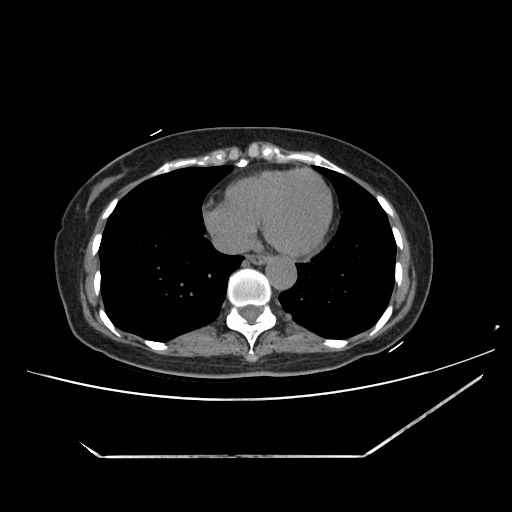 Lower-chest slice from an abdominal CT, just above the liver and spleen · Axial slice 140/143 · soft-tissue window (W 400 / L 40)
Of the structures in the chest, this dataset labels only the esophagus, the aorta and the inferior vena cava; the heart and lungs have no label. Bounding boxes as [x1, y1, x2, y2] in pixel coordinates. 3 labeled organs on this slice — esophagus at [247, 254, 269, 265]; aorta at [266, 257, 297, 291]; inferior vena cava at [211, 228, 251, 254].